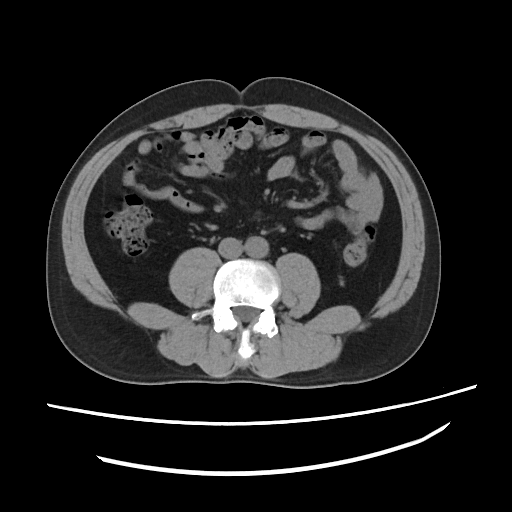

CT abdomen · axial plane, index 47 · soft-tissue window
{"organs":{"aorta":[244,238,268,258],"inferior vena cava":[218,236,240,258]}}